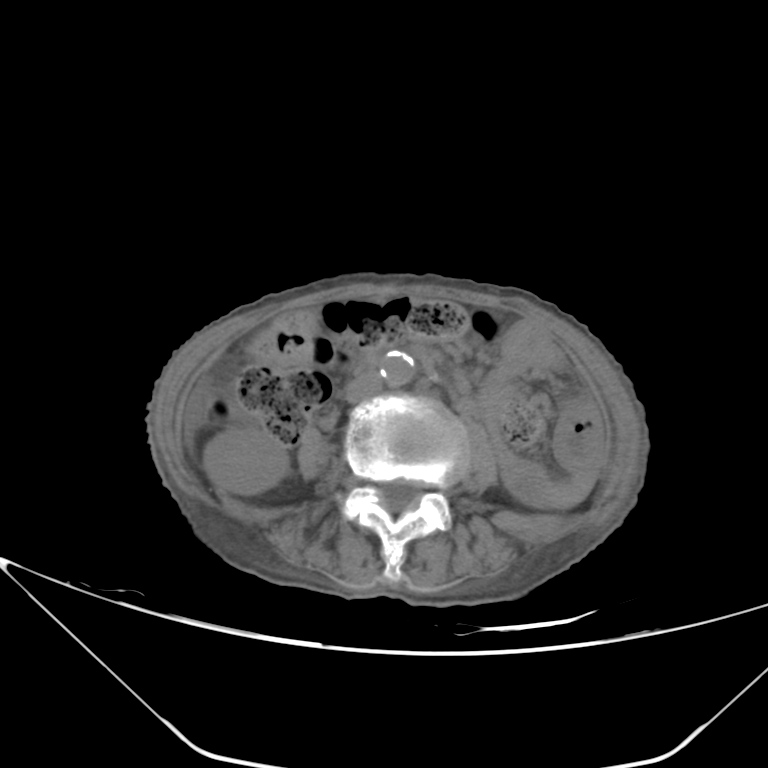 Abdominal CT — axial plane, index 46 — soft-tissue window — 80-year-old female patient — 14 organs annotated in this scan (counted over the whole 3D scan, not this slice; an organ is boxed only where this slice passes through it)
Organ boxes in pixel coordinates; each row gives the top-left (x1, y1) and bottom-right (x2, y2) corners.
| organ | x1 | y1 | x2 | y2 |
|---|---|---|---|---|
| aorta | 380 | 351 | 414 | 385 |
| right kidney | 204 | 427 | 288 | 494 |
| inferior vena cava | 345 | 372 | 382 | 403 |